CT abdomen — Axial slice 267/353 — scan has 15 labeled organs (that count is for the whole scan; organs this slice misses have no box)
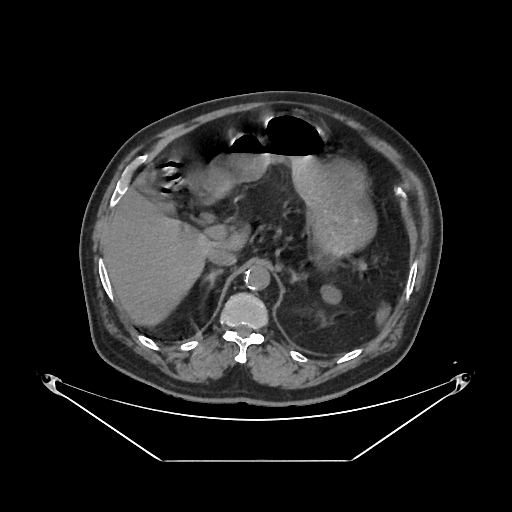

Bounding boxes in pixels, one row per box: x1, y1 is the top-left corner and x2, y2 the bottom-right.
| organ | x1 | y1 | x2 | y2 |
|---|---|---|---|---|
| spleen | 376 | 308 | 390 | 324 |
| left kidney | 321 | 286 | 341 | 302 |
| gall bladder | 137 | 182 | 163 | 207 |
| liver | 104 | 172 | 247 | 325 |
| stomach | 202 | 113 | 375 | 257 |
| aorta | 244 | 265 | 270 | 290 |
| inferior vena cava | 208 | 248 | 236 | 265 |
| right adrenal gland | 201 | 269 | 223 | 295 |
| left adrenal gland | 289 | 269 | 306 | 283 |
| duodenum | 204 | 193 | 219 | 204 |